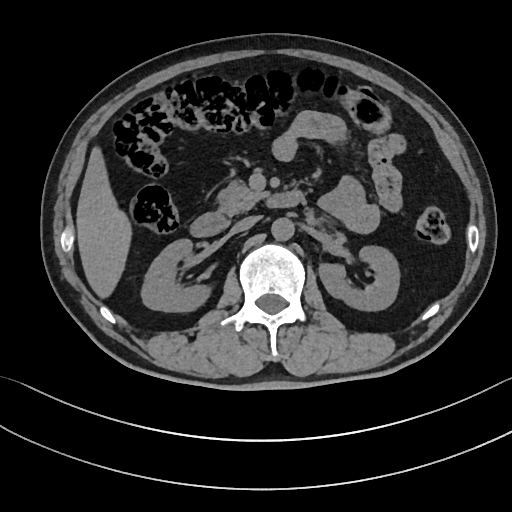

CT, abdomen/pelvis — Axial slice 152/231 — 512x512 px
<organs><organ name="right kidney" x1="141" y1="239" x2="211" y2="311"/><organ name="left kidney" x1="318" y1="246" x2="399" y2="311"/><organ name="liver" x1="76" y1="147" x2="131" y2="298"/><organ name="aorta" x1="271" y1="217" x2="294" y2="241"/><organ name="inferior vena cava" x1="231" y1="215" x2="260" y2="233"/><organ name="pancreas" x1="216" y1="180" x2="266" y2="216"/><organ name="duodenum" x1="190" y1="190" x2="304" y2="236"/></organs>